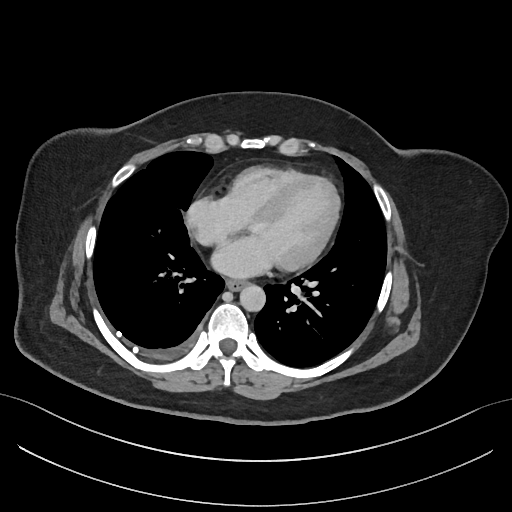
Abdominal CT; this slice is in the lower chest, just above the liver; axial view; 512x512 px
Of the structures in the chest, this dataset labels only the esophagus, the aorta and the inferior vena cava; the heart and lungs have no label.
<organs><organ name="esophagus" x1="226" y1="279" x2="246" y2="290"/><organ name="aorta" x1="239" y1="284" x2="265" y2="311"/></organs>